CT, abdomen/pelvis; axial view; 512x512 px
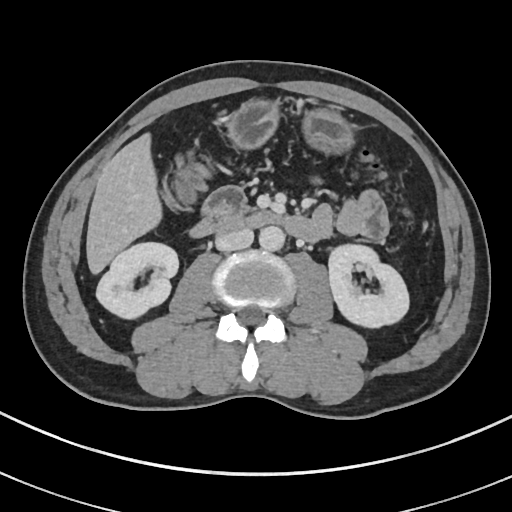
{"organs":{"right kidney":[97,242,178,316],"aorta":[259,225,285,250],"duodenum":[190,187,317,240],"stomach":[231,100,351,149],"inferior vena cava":[215,227,254,251],"left kidney":[328,242,410,327],"liver":[86,133,161,272]}}